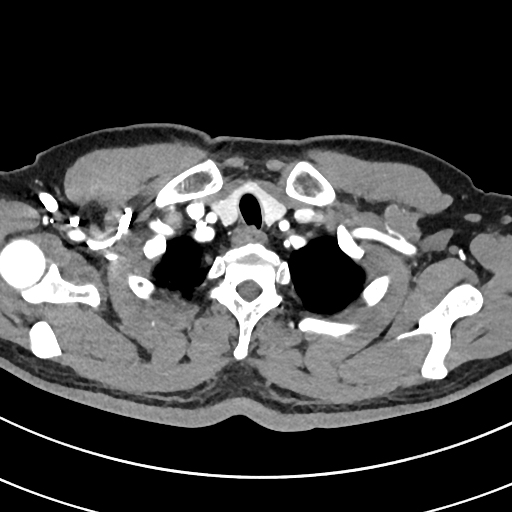

Chest-level slice from an abdominal CT that extends up into the chest · Axial slice 290/302
At this level of the chest no structure but the esophagus and the aorta has a label in this dataset, and those two are boxed only where they are labeled. Boxes: x1 y1 x2 y2 (pixel coords, space-separated). Labeled organs on this slice: esophagus at 232 228 263 244.